CT abdomen · axial view · soft-tissue window · 512x512 px
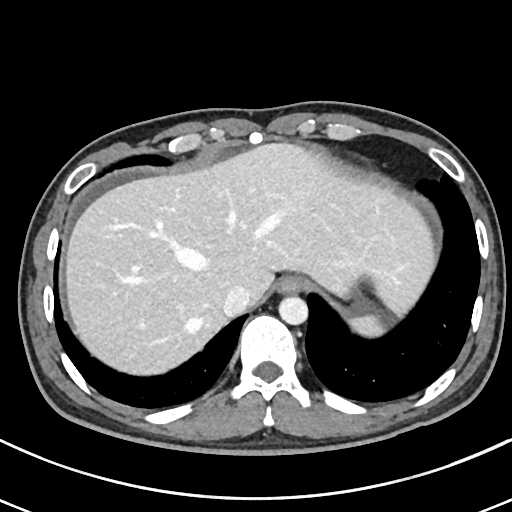

<organs><organ name="spleen" x1="350" y1="315" x2="384" y2="336"/><organ name="esophagus" x1="278" y1="275" x2="305" y2="294"/><organ name="liver" x1="65" y1="142" x2="435" y2="375"/><organ name="aorta" x1="278" y1="296" x2="307" y2="325"/><organ name="inferior vena cava" x1="222" y1="285" x2="251" y2="316"/></organs>